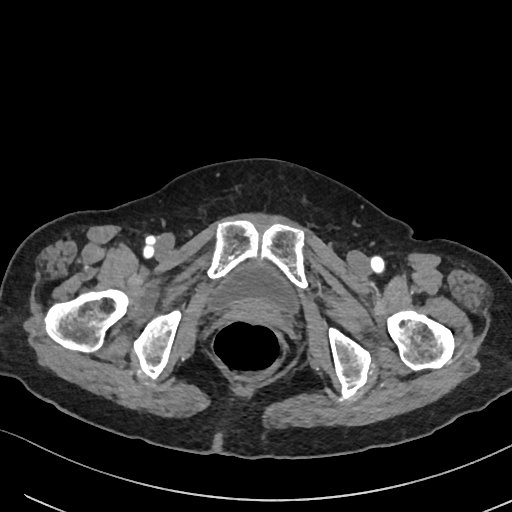

Abdominal CT · axial view · W/L 400/40 HU · SOMATOM Force scanner
Bounding boxes as [x1, y1, x2, y2] in pixel coordinates.
bladder: [211, 265, 297, 311]